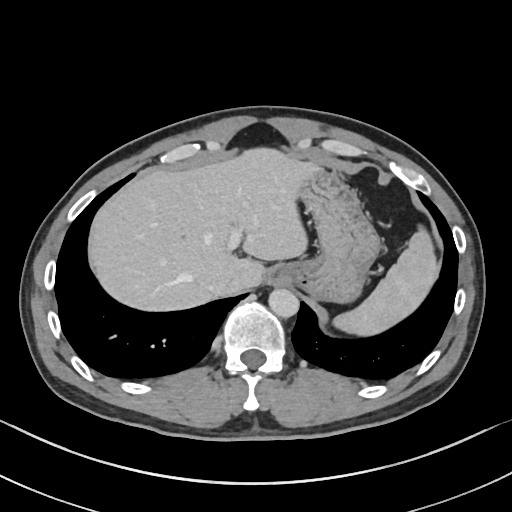
CT abdomen — Axial slice 168/291
{"organs":{"spleen":[333,230,435,334],"liver":[87,145,312,312],"stomach":[267,163,379,304],"aorta":[268,288,298,316],"inferior vena cava":[208,274,233,293]}}